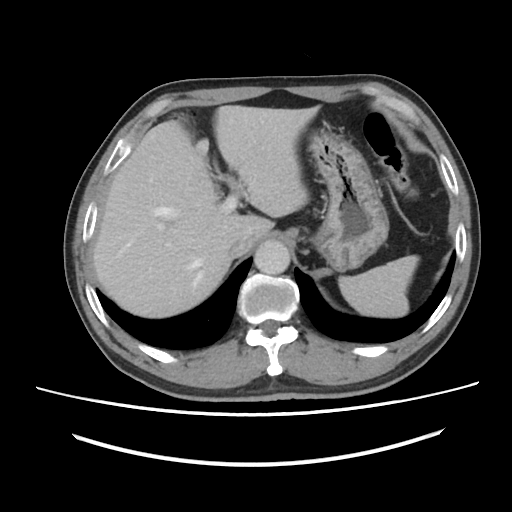
Abdominal CT — axial view
{"organs":{"spleen":[338,255,418,317],"liver":[92,105,318,317],"stomach":[309,130,388,271],"aorta":[254,241,290,274],"inferior vena cava":[228,233,255,257]}}